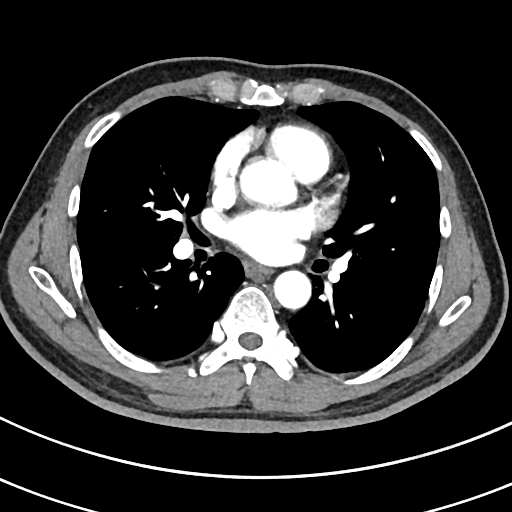
Chest-level CT slice, above the liver and spleen; axial view; 512x512 px
On a slice this high in the chest, this dataset labels only the esophagus and the aorta, and each is boxed only where it is labeled; the heart, lungs and other chest structures are not labeled.
Bounding boxes as [x1, y1, x2, y2] in pixel coordinates.
Organ bounding boxes:
- esophagus: [245, 263, 270, 275]
- aorta: [242, 160, 293, 204]
- aorta: [273, 270, 311, 308]